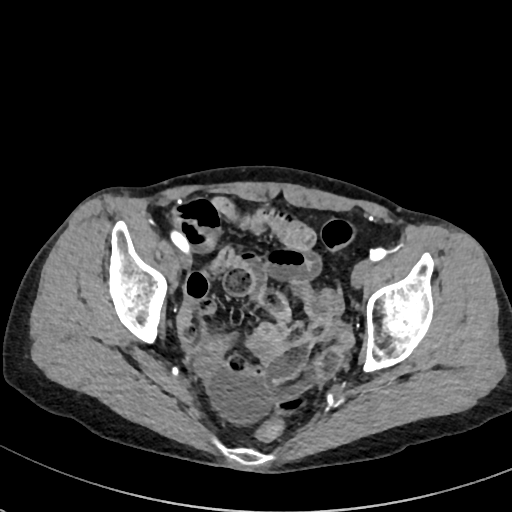

CT, abdomen/pelvis. axial view. 512x512 px
Boxes are (x1, y1, x2, y2) in pixels. 1 labeled organ on this slice — prostate/uterus at (248, 337, 283, 356).